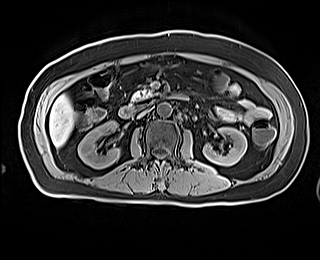
MRI, abdomen — axial view — 1st–99th percentile window — 320x260 px
One row per box, in pixels: columns x1 and y1 give the top-left corner, x2 and y2 the bottom-right.
| organ | x1 | y1 | x2 | y2 |
|---|---|---|---|---|
| right kidney | 78 | 121 | 120 | 168 |
| left kidney | 203 | 127 | 247 | 165 |
| liver | 49 | 94 | 74 | 147 |
| aorta | 157 | 103 | 171 | 116 |
| inferior vena cava | 137 | 109 | 148 | 118 |
| pancreas | 131 | 88 | 157 | 101 |
| duodenum | 118 | 106 | 135 | 118 |